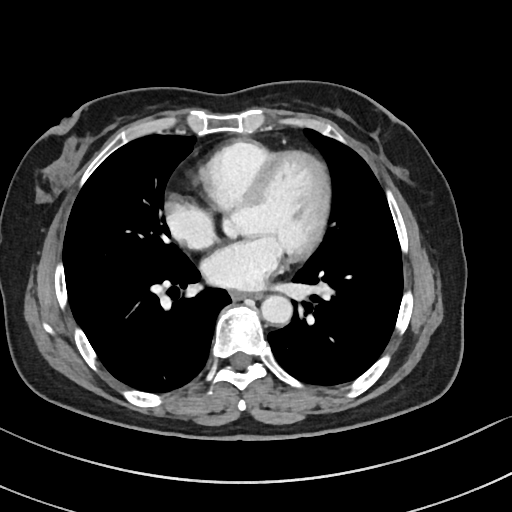 Lower-chest slice from an abdominal CT, just above the liver and spleen; axial plane, index 238; acquired on SOMATOM Force; 14 organs annotated in this scan (counted over the whole 3D scan, not this slice; an organ is boxed only where this slice passes through it)
The heart and lungs are never labeled in this dataset, so they have no box on this slice.
Boxes: x1:y1:x2:y2 in pixels.
Organ bounding boxes:
- esophagus: 230:291:262:299
- aorta: 261:294:293:324